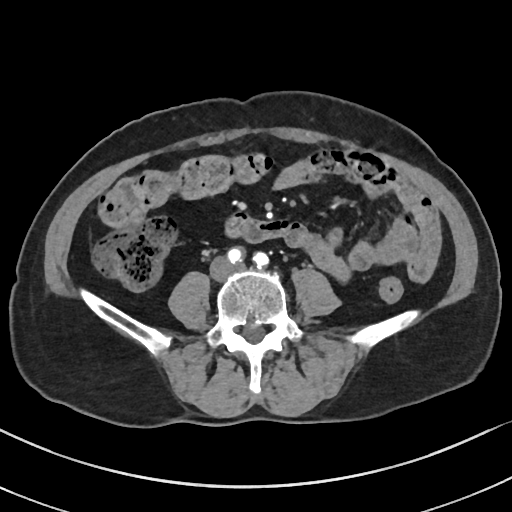
Computed tomography, abdomen; Axial slice 100/294; soft-tissue window (W 400 / L 40); 512x512 px
Boxes: x1 y1 x2 y2 (pixel coords, space-separated).
Organ bounding boxes:
- duodenum: 226 215 247 235